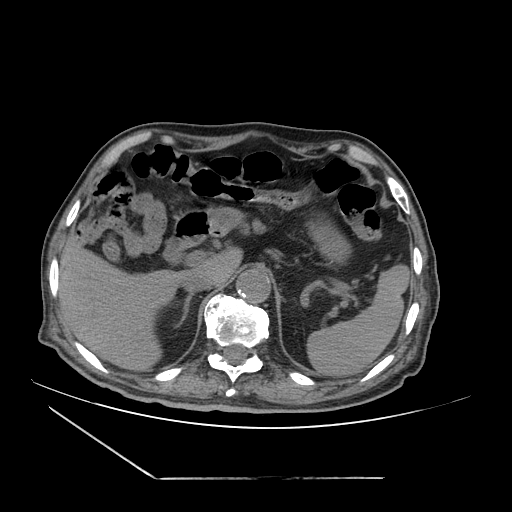

Abdominal CT — axial plane, index 146 — soft-tissue window — 512x512 px
One row per box, in pixels: columns x1 and y1 give the top-left corner, x2 and y2 the bottom-right.
| organ | x1 | y1 | x2 | y2 |
|---|---|---|---|---|
| spleen | 306 | 264 | 409 | 376 |
| liver | 59 | 245 | 242 | 370 |
| stomach | 206 | 207 | 348 | 261 |
| aorta | 236 | 269 | 270 | 303 |
| inferior vena cava | 181 | 274 | 213 | 292 |
| pancreas | 241 | 220 | 265 | 233 |
| right adrenal gland | 179 | 293 | 193 | 324 |
| duodenum | 163 | 209 | 221 | 263 |